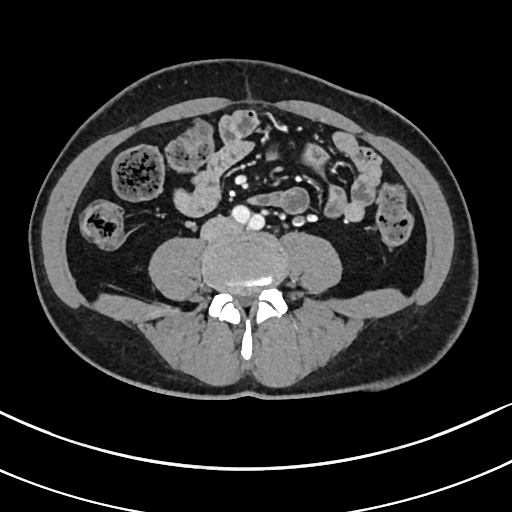
Computed tomography, abdomen — Axial slice 101/206
Boxes: x1:y1:x2:y2 in pixels.
inferior vena cava: 201:215:236:240